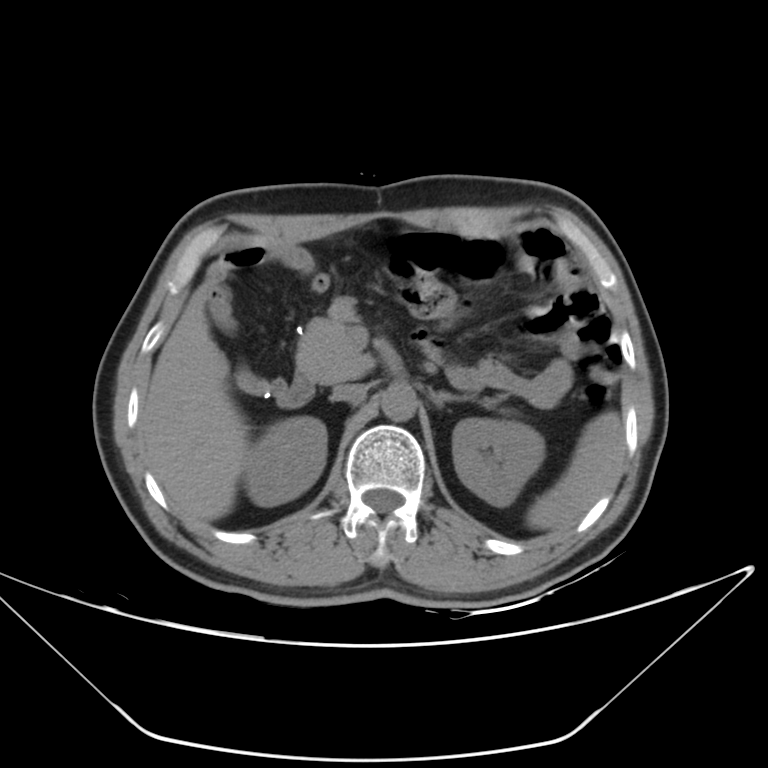 Abdominal CT. Axial slice 70/99
{"organs":{"spleen":[526,412,623,530],"right kidney":[244,416,326,506],"left kidney":[452,418,544,506],"liver":[141,288,249,522],"aorta":[381,384,417,421],"inferior vena cava":[331,384,367,403],"pancreas":[296,309,373,383],"left adrenal gland":[430,391,467,406],"duodenum":[273,346,439,408]}}